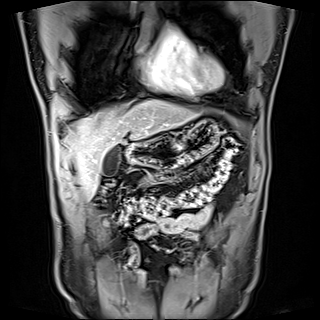 Abdominal MRI; coronal view; percentile-normalized; 13 organs annotated in this scan (that count is for the whole scan; organs this slice misses have no box)
{"organs":{"gall bladder":[101,146,120,176],"liver":[68,99,196,196],"stomach":[127,120,219,173],"duodenum":[127,147,129,152]}}